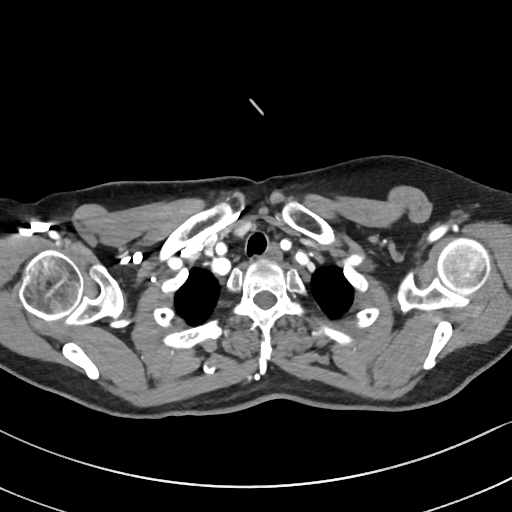 Abdominal CT reaching into the chest; this slice is in the chest — axial view
On a slice this high in the chest, this dataset labels only the esophagus and the aorta, and each is boxed only where it is labeled; the heart, lungs and other chest structures are not labeled.
<organs><organ name="esophagus" x1="261" y1="241" x2="281" y2="260"/></organs>